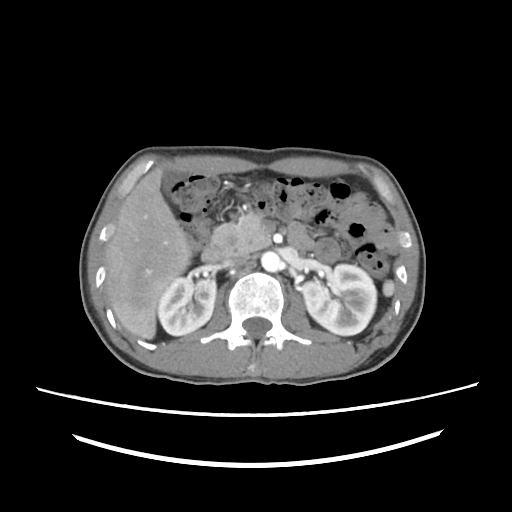

Computed tomography, abdomen — Axial slice 27/90 — W/L 400/40 HU — acquired on Aquilion ONE
<organs><organ name="spleen" x1="383" y1="280" x2="393" y2="297"/><organ name="right kidney" x1="157" y1="277" x2="215" y2="335"/><organ name="left kidney" x1="302" y1="263" x2="376" y2="335"/><organ name="gall bladder" x1="162" y1="168" x2="188" y2="193"/><organ name="liver" x1="105" y1="165" x2="190" y2="339"/><organ name="aorta" x1="260" y1="252" x2="281" y2="272"/><organ name="inferior vena cava" x1="220" y1="258" x2="250" y2="270"/><organ name="pancreas" x1="214" y1="210" x2="272" y2="255"/><organ name="duodenum" x1="201" y1="223" x2="314" y2="262"/></organs>